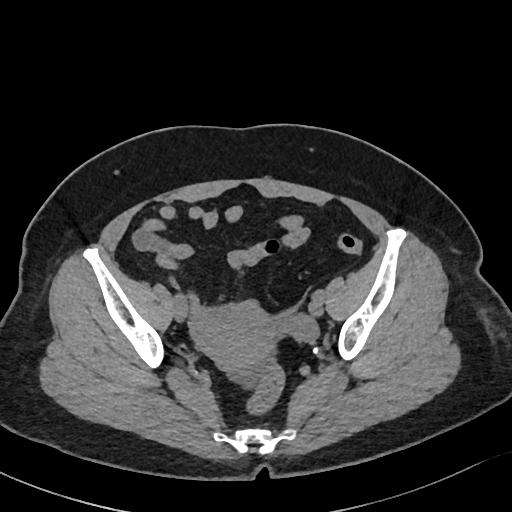

Abdominal CT; axial plane, index 42; SOMATOM Force scanner
Bounding boxes in pixels, one row per box: x1, y1 is the top-left corner and x2, y2 the bottom-right.
| organ | x1 | y1 | x2 | y2 |
|---|---|---|---|---|
| prostate/uterus | 190 | 307 | 279 | 367 |